CT abdomen. axial view. W/L 400/40 HU. 54-year-old male patient. Aquilion ONE scanner. scan has 15 labeled organs (counted over the whole 3D scan, not this slice; an organ is boxed only where this slice passes through it)
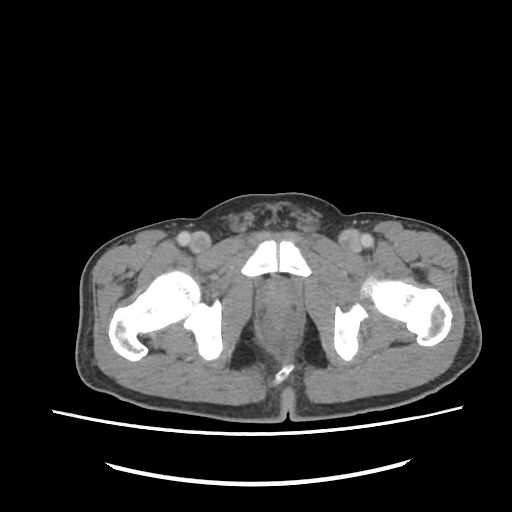 Each box given as x1,y1,x2,y2. The annotated organs in this slice are: prostate/uterus at x1=265, y1=283, x2=292, y2=307.